CT of the abdomen extending into the chest, slice through the chest; axial view
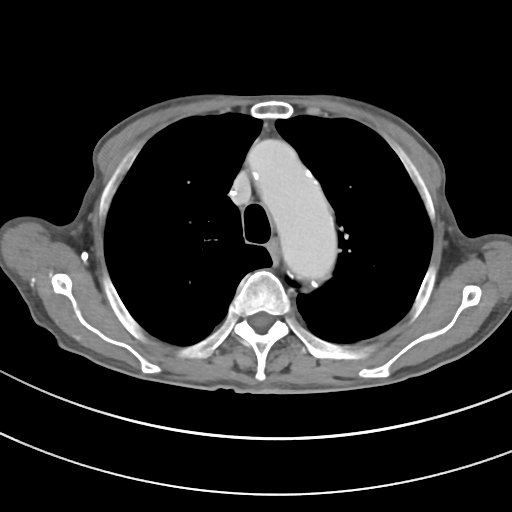 On a slice this high in the chest, this dataset labels only the esophagus and the aorta, and each is boxed only where it is labeled; the heart, lungs and other chest structures are not labeled. Boxes: x1:y1:x2:y2 in pixels. The annotated organs in this slice are: aorta at 248:139:336:279, esophagus at 268:239:280:267.